CT, abdomen/pelvis — Axial slice 161/206 — soft-tissue window — 512x512 px — acquired on SOMATOM Force
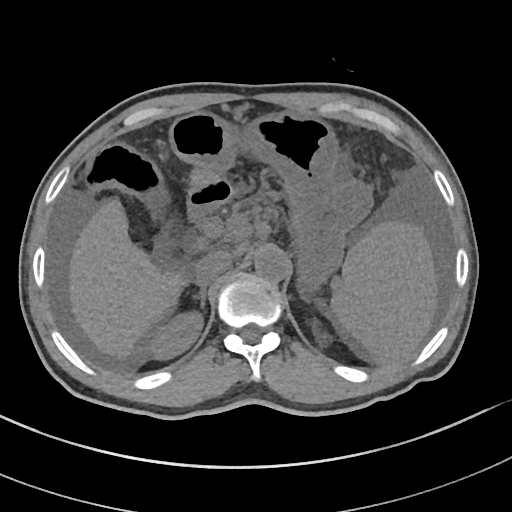

{"organs":{"right kidney":[147,313,204,361],"right adrenal gland":[192,283,207,308],"inferior vena cava":[194,250,233,283],"aorta":[254,248,289,282],"left kidney":[307,313,331,347],"liver":[68,199,186,356],"spleen":[331,213,438,363],"left adrenal gland":[297,285,309,299],"stomach":[170,110,371,287],"duodenum":[187,183,229,220]}}